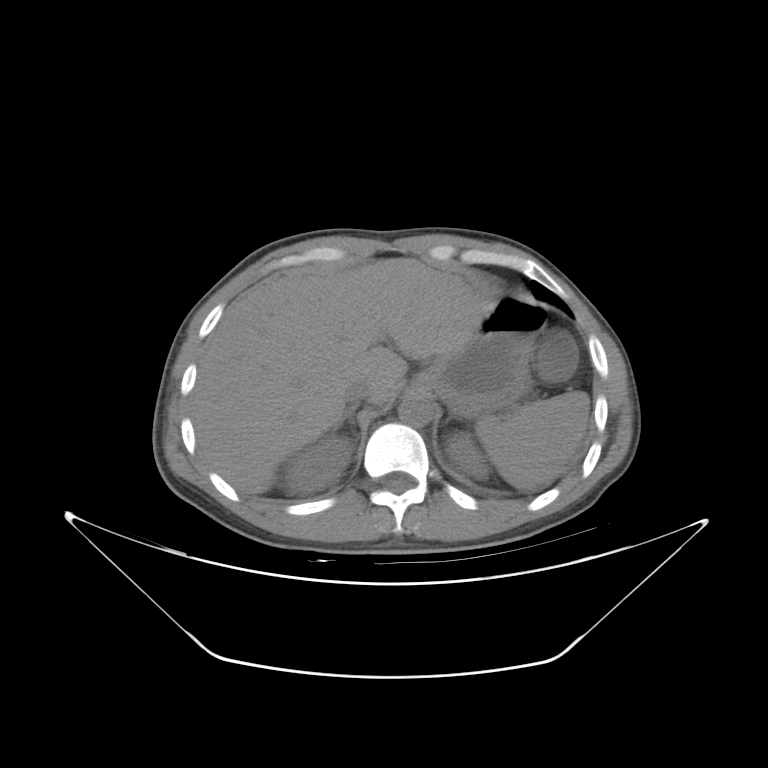

CT, abdomen/pelvis. axial view. abdomen soft-tissue window. acquired on Brilliance16
Boxes are (x1, y1, x2, y2) in pixels.
Organ bounding boxes:
- spleen: (475, 390, 589, 489)
- right kidney: (281, 435, 353, 493)
- left kidney: (446, 432, 490, 479)
- liver: (194, 258, 494, 494)
- stomach: (414, 296, 544, 416)
- aorta: (398, 396, 435, 427)
- inferior vena cava: (344, 380, 372, 404)
- right adrenal gland: (335, 404, 356, 434)
- left adrenal gland: (447, 416, 452, 422)